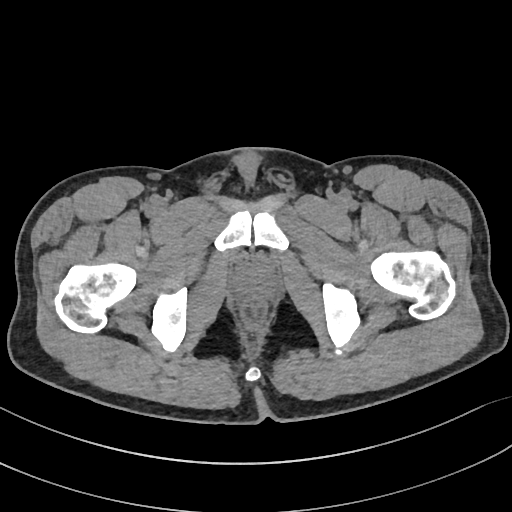
CT, abdomen/pelvis — axial view
Coordinates as <box>x1,y1,x2,y2</box> in pixels.
Organ bounding boxes:
- prostate/uterus: <box>241,268,267,290</box>